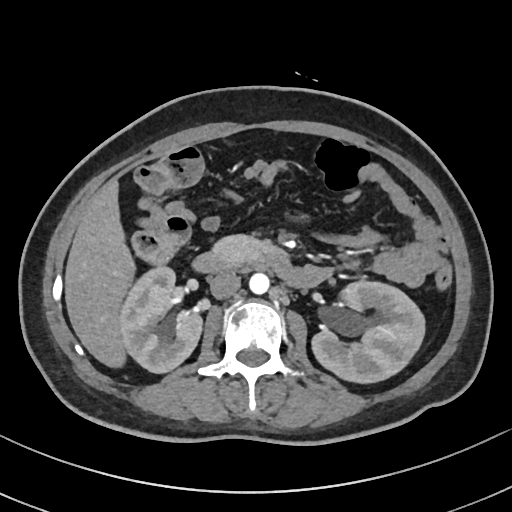

Computed tomography, abdomen · axial view
Boxes: x1:y1:x2:y2 in pixels. Labeled organs on this slice: right kidney at 119:267:201:372, left kidney at 313:281:425:382, liver at 65:181:132:365, aorta at 249:271:269:293, inferior vena cava at 210:273:240:298, pancreas at 216:235:266:257, duodenum at 195:246:289:273.